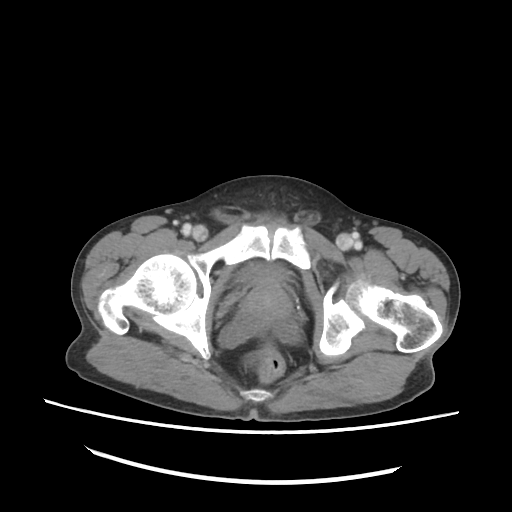

Abdominal CT. axial view. soft-tissue window. scan has 15 labeled organs (that count is for the whole scan; organs this slice misses have no box)
One row per box, in pixels: columns x1 and y1 give the top-left corner, x2 and y2 the bottom-right.
| organ | x1 | y1 | x2 | y2 |
|---|---|---|---|---|
| bladder | 237 | 262 | 288 | 281 |
| prostate/uterus | 242 | 275 | 291 | 321 |